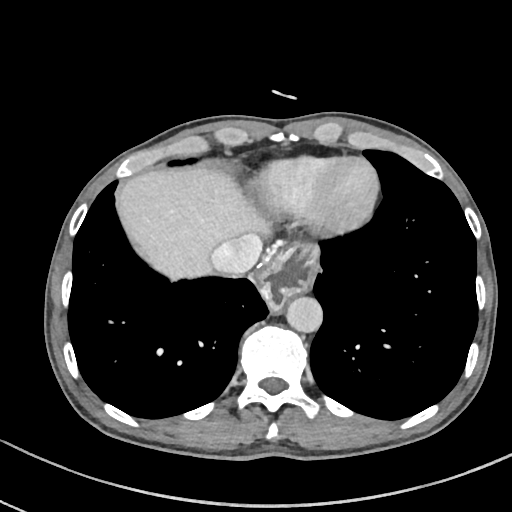

CT, abdomen/pelvis; axial plane, index 193
Organ boxes in pixel coordinates; each row gives the top-left (x1, y1) and bottom-right (x2, y2) corners.
| organ | x1 | y1 | x2 | y2 |
|---|---|---|---|---|
| esophagus | 258 | 240 | 319 | 314 |
| liver | 118 | 167 | 272 | 278 |
| stomach | 291 | 244 | 312 | 287 |
| aorta | 286 | 297 | 322 | 333 |
| inferior vena cava | 212 | 235 | 262 | 273 |